CT, abdomen/pelvis. Axial slice 75/84. abdomen soft-tissue window. 512x512 px. Aquilion ONE scanner
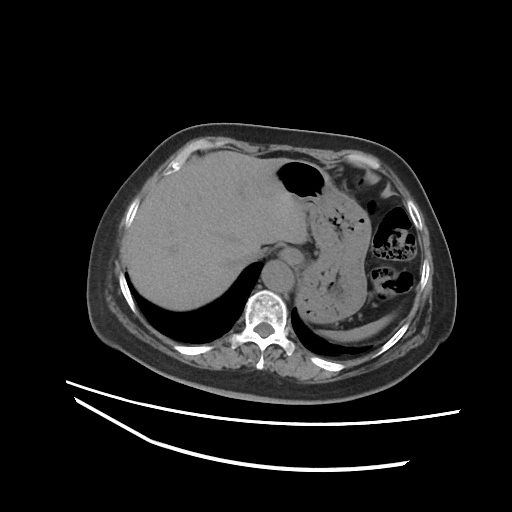 Boxes: x1 y1 x2 y2 (pixel coords, space-separated).
Organ bounding boxes:
- spleen: 320 314 394 341
- esophagus: 280 248 304 264
- liver: 123 151 307 310
- stomach: 276 160 371 323
- aorta: 261 260 293 291
- inferior vena cava: 245 248 265 262